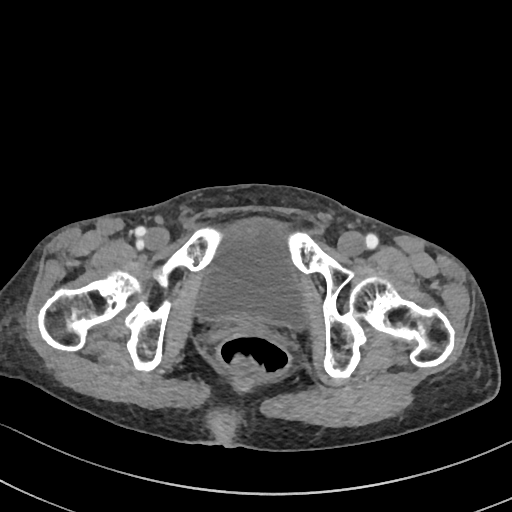 CT, abdomen/pelvis. axial plane, index 48. soft-tissue window
Boxes: x1:y1:x2:y2 in pixels. 1 labeled organ on this slice — bladder at 199:218:307:328.